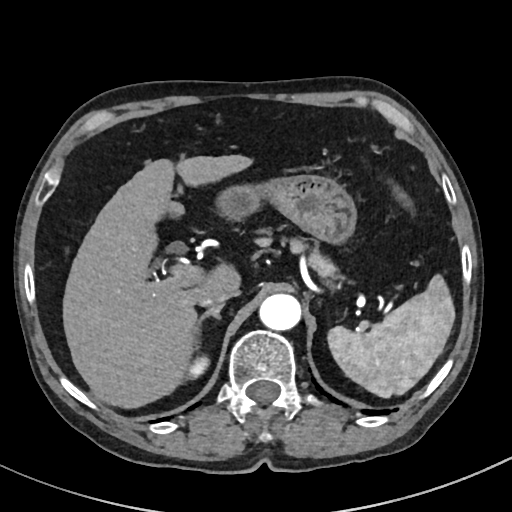 Computed tomography, abdomen — axial plane, index 176 — abdomen soft-tissue window — 512x512 px — acquired on SOMATOM Force
Boxes are (x1, y1, x2, y2) in pixels.
Organ bounding boxes:
- spleen: (327, 275, 454, 397)
- right kidney: (187, 354, 209, 379)
- liver: (62, 154, 252, 408)
- stomach: (214, 174, 357, 245)
- aorta: (259, 294, 301, 330)
- inferior vena cava: (199, 286, 239, 307)
- pancreas: (256, 237, 339, 278)
- right adrenal gland: (192, 305, 222, 351)